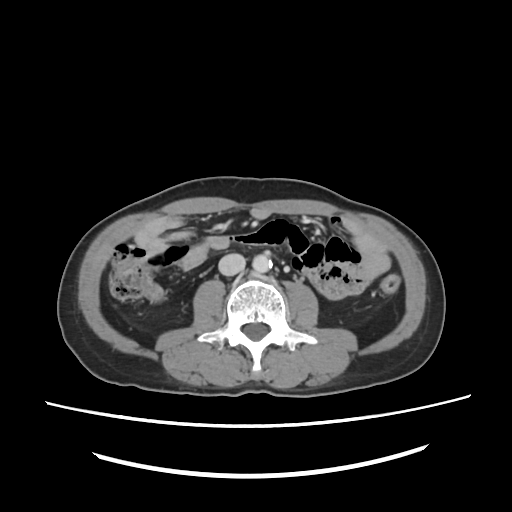

CT, abdomen/pelvis; axial view; 45-year-old male patient
<organs><organ name="aorta" x1="253" y1="253" x2="271" y2="271"/><organ name="inferior vena cava" x1="218" y1="255" x2="244" y2="275"/></organs>